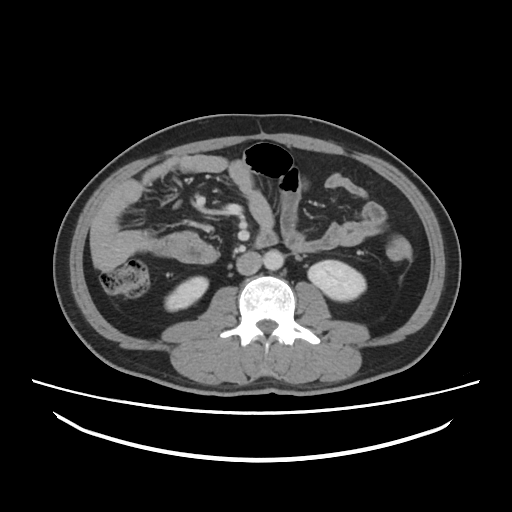
CT abdomen — axial view — 15 organs annotated in this scan (counted over the whole 3D scan, not this slice; an organ is boxed only where this slice passes through it)
<organs><organ name="aorta" x1="263" y1="249" x2="283" y2="270"/><organ name="right kidney" x1="165" y1="277" x2="208" y2="310"/><organ name="left kidney" x1="308" y1="260" x2="365" y2="300"/><organ name="duodenum" x1="255" y1="231" x2="277" y2="247"/><organ name="inferior vena cava" x1="236" y1="251" x2="262" y2="275"/></organs>